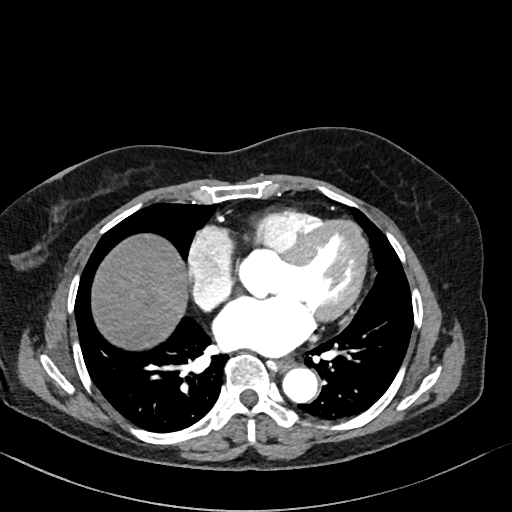
Abdominal CT · Axial slice 212/222 · 512x512 px · 15 organs annotated in this scan (counted over the whole 3D scan, not this slice; an organ is boxed only where this slice passes through it)
{"organs":{"aorta":[282,366,319,402],"liver":[91,233,189,348],"esophagus":[276,359,294,370]}}